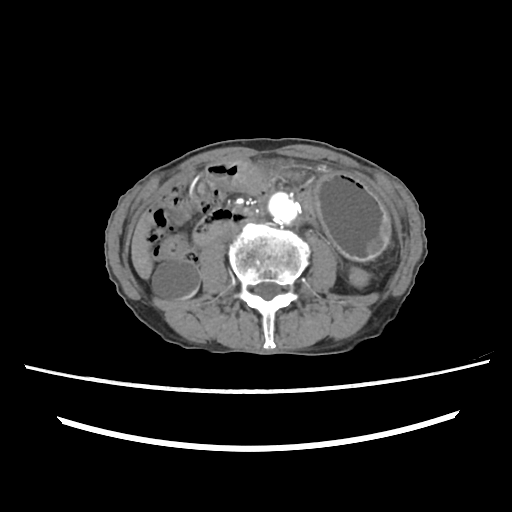
Abdominal CT — axial plane, index 48 — W/L 400/40 HU
Boxes: x1:y1:x2:y2 in pixels.
right kidney: 152:260:199:299
liver: 131:220:153:278
stomach: 231:159:389:262
aorta: 266:191:301:225
inferior vena cava: 220:225:239:240
duodenum: 193:161:250:246